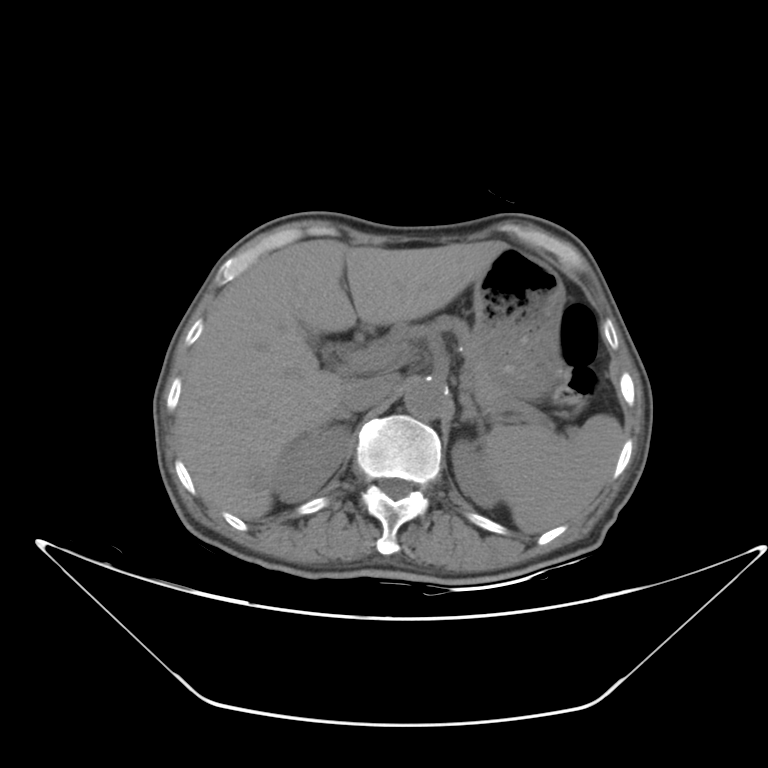 Abdominal CT. axial view. 768x768 px
Coordinates as <box>x1,y1,x2,y2</box> in pixels.
spleen: <box>483,415,622,531</box>
right kidney: <box>276,423,350,502</box>
left kidney: <box>452,440,507,508</box>
gall bladder: <box>310,332,340,371</box>
liver: <box>175,238,508,518</box>
stomach: <box>473,245,565,400</box>
aorta: <box>404,377,449,420</box>
inferior vena cava: <box>341,374,396,410</box>
pancreas: <box>402,315,551,427</box>
left adrenal gland: <box>457,392,484,449</box>